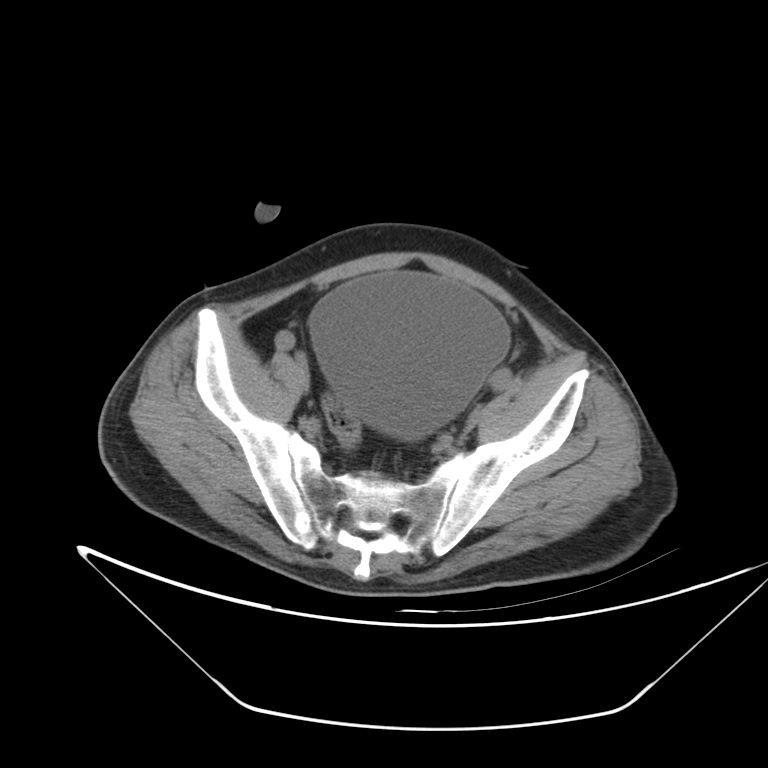
Abdominal CT — axial view — W/L 400/40 HU — 768x768 px — 47-year-old male patient — acquired on Brilliance16
Box edges are left/top/right/bottom in pixels. The annotated organs in this slice are: bladder at left=312, top=272, right=506, bottom=438.